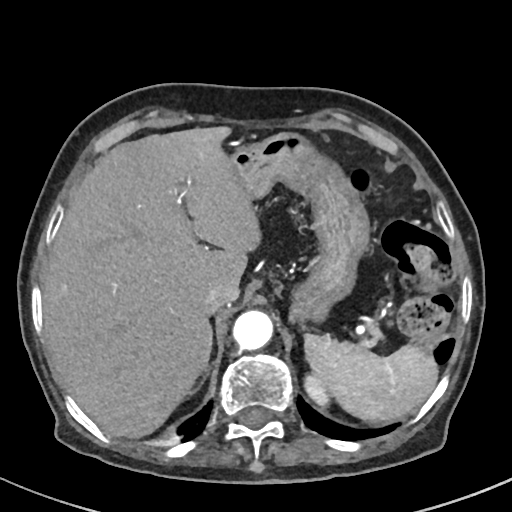 CT abdomen · Axial slice 163/279 · acquired on SOMATOM Force
Boxes are (x1, y1, x2, y2) in pixels.
Organ bounding boxes:
- spleen: (303, 332, 437, 422)
- left kidney: (304, 377, 327, 404)
- liver: (42, 125, 262, 437)
- stomach: (233, 131, 371, 324)
- aorta: (231, 311, 272, 351)
- inferior vena cava: (204, 280, 239, 312)